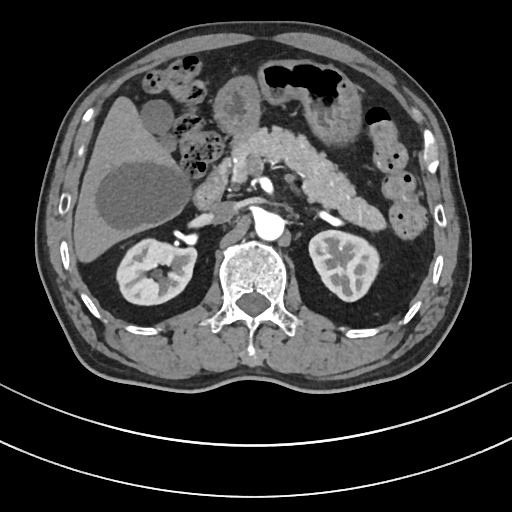

Abdominal CT · axial view
Box edges are left/top/right/bottom in pixels. Labeled organs on this slice: right kidney at left=118, top=240, right=197, bottom=305, left kidney at left=309, top=229, right=378, bottom=301, gall bladder at left=141, top=100, right=176, bottom=152, liver at left=72, top=96, right=191, bottom=264, stomach at left=214, top=61, right=361, bottom=142, aorta at left=254, top=211, right=284, bottom=241, inferior vena cava at left=208, top=202, right=235, bottom=223, pancreas at left=230, top=126, right=385, bottom=229, left adrenal gland at left=305, top=207, right=317, bottom=212, duodenum at left=194, top=156, right=231, bottom=208.